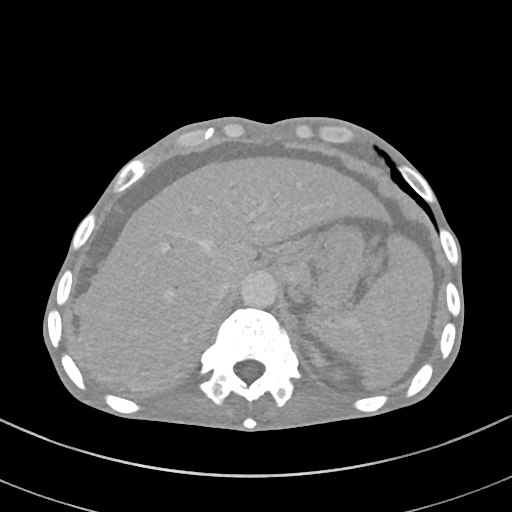
Abdominal CT — axial view — abdomen soft-tissue window
Boxes: x1:y1:x2:y2 in pixels. Labeled organs on this slice: aorta at 240:270:277:307, left kidney at 318:358:319:360, spleen at 309:234:433:386, liver at 79:157:391:393, inferior vena cava at 214:277:234:299, stomach at 270:225:364:306.